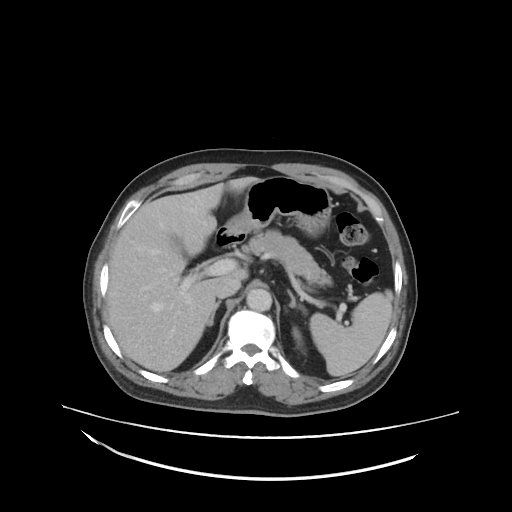
CT, abdomen/pelvis · axial plane, index 68 · W/L 400/40 HU · acquired on Aquilion ONE
Boxes are (x1, y1, x2, y2) in pixels.
Organ bounding boxes:
- spleen: (309, 289, 392, 377)
- left kidney: (291, 327, 302, 345)
- liver: (106, 176, 257, 372)
- stomach: (227, 175, 332, 235)
- aorta: (247, 289, 271, 312)
- inferior vena cava: (214, 279, 240, 297)
- pancreas: (245, 230, 330, 284)
- right adrenal gland: (209, 300, 221, 326)
- left adrenal gland: (288, 292, 303, 312)
- duodenum: (211, 227, 246, 249)